Abdominal CT reaching into the chest; this slice is in the chest. Axial slice 269/305. soft-tissue window
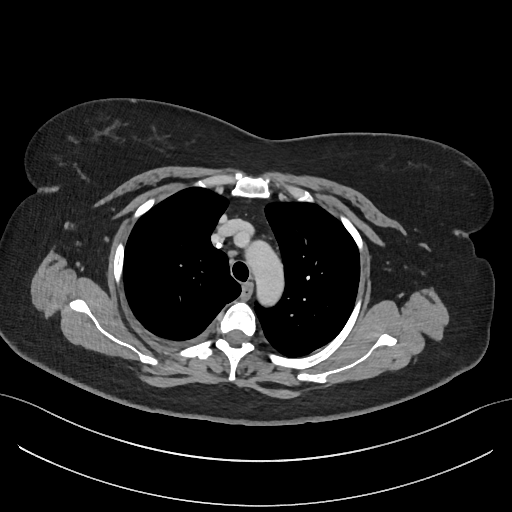
On a slice this high in the chest, this dataset labels only the esophagus and the aorta, and each is boxed only where it is labeled; the heart, lungs and other chest structures are not labeled.
<organs><organ name="esophagus" x1="242" y1="284" x2="251" y2="296"/><organ name="aorta" x1="245" y1="240" x2="283" y2="305"/></organs>